CT, abdomen/pelvis; axial plane, index 35; soft-tissue window; 15 organs annotated in this scan (that count is for the whole scan; organs this slice misses have no box)
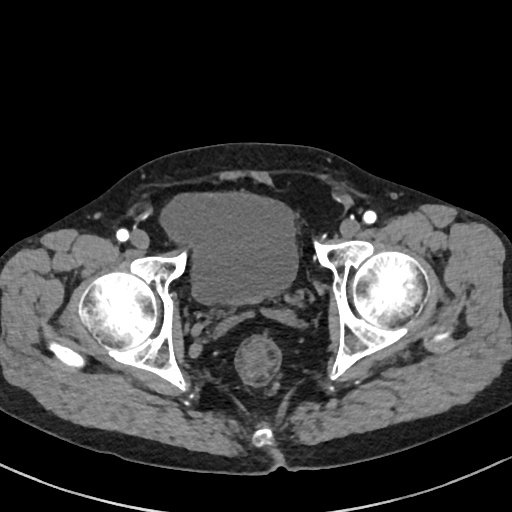 Bounding boxes as [x1, y1, x2, y2] in pixel coordinates. The annotated organs in this slice are: bladder at [158, 190, 298, 303].